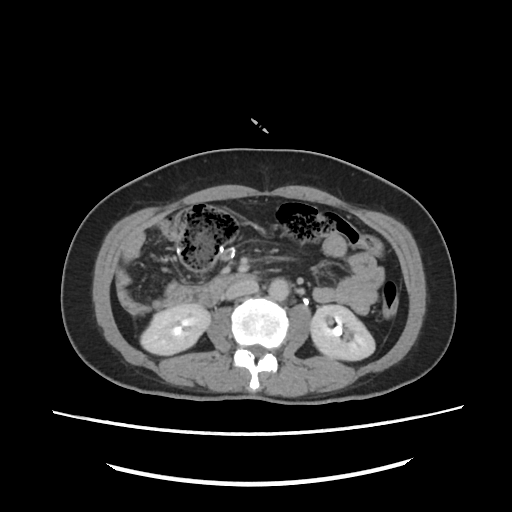 Abdominal CT — Axial slice 54/85 — W/L 400/40 HU — 512x512 px
Bounding boxes in pixels, one row per box: x1, y1 is the top-left corner and x2, y2 the bottom-right.
| organ | x1 | y1 | x2 | y2 |
|---|---|---|---|---|
| right kidney | 140 | 305 | 210 | 356 |
| left kidney | 310 | 307 | 374 | 360 |
| aorta | 268 | 278 | 288 | 300 |
| inferior vena cava | 224 | 281 | 257 | 299 |
| duodenum | 164 | 274 | 259 | 306 |